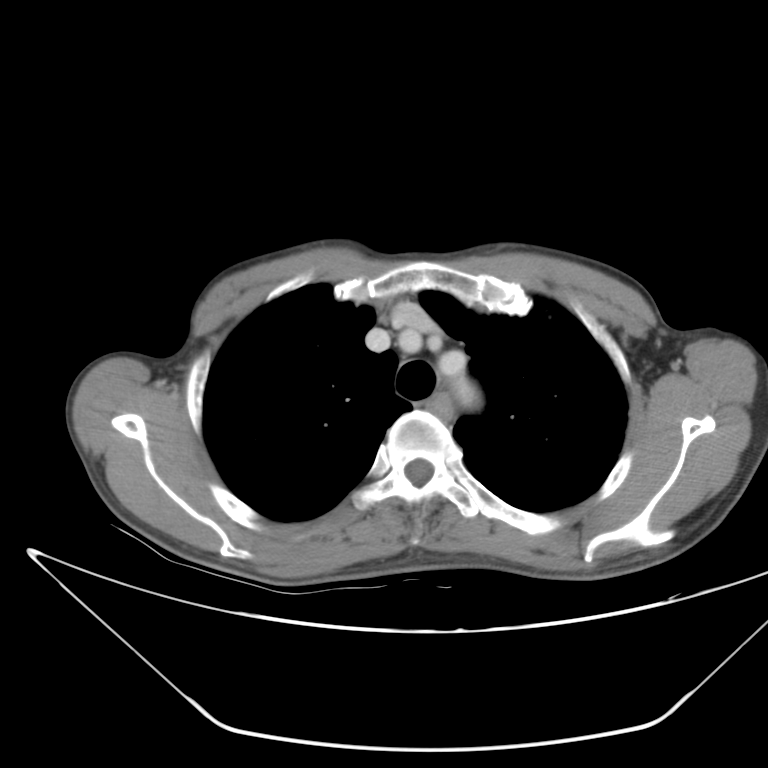
Abdominal CT reaching into the chest; this slice is in the chest — axial view — soft-tissue window — 62-year-old male patient — Brilliance16 scanner
On a slice this high in the chest, this dataset labels only the esophagus and the aorta, and each is boxed only where it is labeled; the heart, lungs and other chest structures are not labeled.
Each box given as x1,y1,x2,y2.
esophagus: x1=426, y1=392, x2=453, y2=422